CT abdomen. axial plane, index 216. soft-tissue window. 15 organs annotated in this scan (a whole-scan count: organs this slice does not pass through have no box)
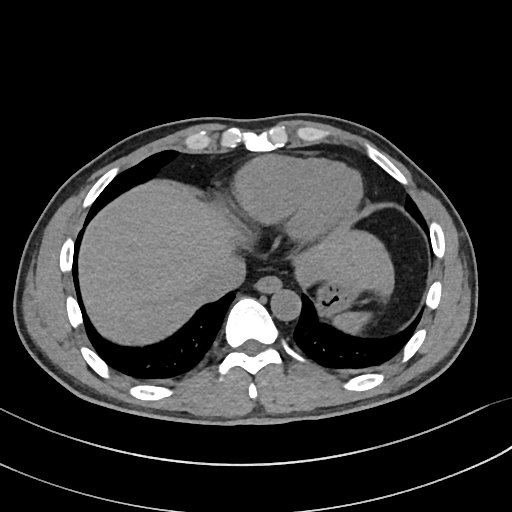
Boxes are (x1, y1, x2, y2) in pixels.
liver: (79, 183, 393, 345)
stomach: (316, 281, 360, 314)
spleen: (333, 312, 370, 333)
inferior vena cava: (200, 254, 246, 297)
esophagus: (255, 275, 281, 293)
aorta: (271, 289, 301, 320)